CT, abdomen/pelvis — Axial slice 16/103 — W/L 400/40 HU — 24-year-old male patient
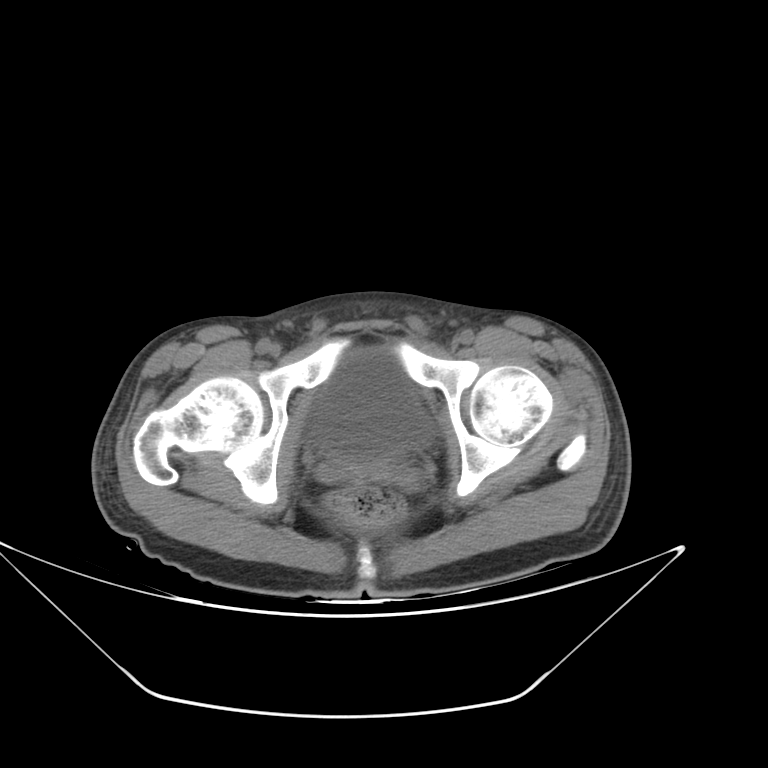

Boxes are (x1, y1, x2, y2) in pixels. Labeled organs on this slice: bladder at (311, 349, 430, 461).